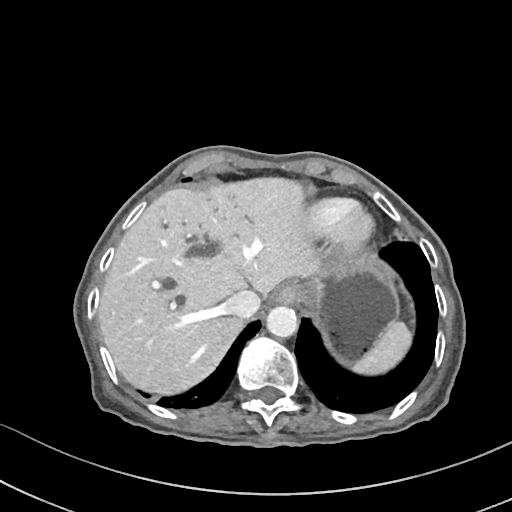
Abdominal CT · Axial slice 202/236
Bounding boxes in pixels, one row per box: x1, y1 is the top-left corner and x2, y2 the bottom-right.
| organ | x1 | y1 | x2 | y2 |
|---|---|---|---|---|
| aorta | 266 | 306 | 298 | 338 |
| spleen | 352 | 322 | 412 | 374 |
| inferior vena cava | 224 | 290 | 260 | 317 |
| stomach | 301 | 252 | 397 | 360 |
| liver | 99 | 177 | 321 | 393 |
| esophagus | 274 | 284 | 303 | 304 |